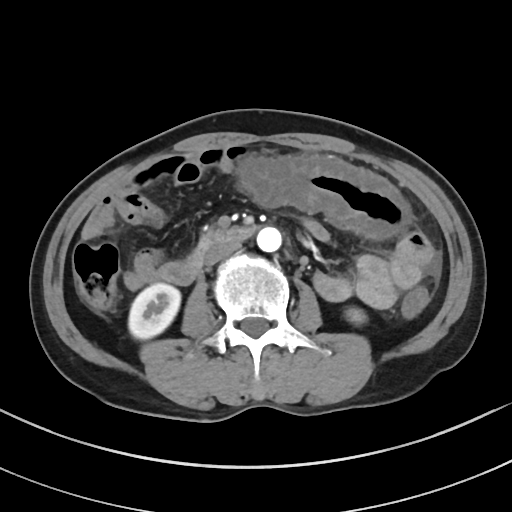
Computed tomography, abdomen; axial view; soft-tissue window
Boxes are (x1, y1, x2, y2) in pixels.
right kidney: (128, 283, 180, 339)
left kidney: (346, 308, 365, 324)
aorta: (257, 226, 281, 252)
inferior vena cava: (204, 241, 240, 264)
duodenum: (182, 228, 254, 283)